Computed tomography, abdomen; axial plane, index 49; soft-tissue window (W 400 / L 40); 768x768 px; 28-year-old female patient
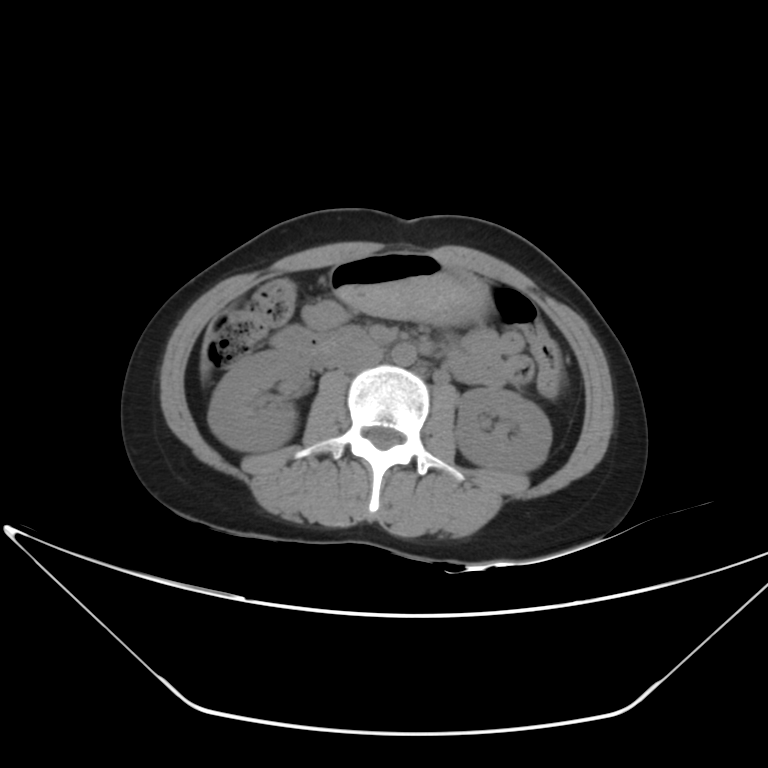

Each box given as x1,y1,x2,y2. 7 labeled organs on this slice — right kidney at x1=208, y1=350, x2=309, y2=451; inferior vena cava at x1=336, y1=344, x2=382, y2=372; liver at x1=200, y1=339, x2=210, y2=378; left kidney at x1=455, y1=388, x2=552, y2=472; stomach at x1=330, y1=252, x2=489, y2=326; aorta at x1=391, y1=344, x2=416, y2=365; duodenum at x1=270, y1=325, x2=369, y2=367.